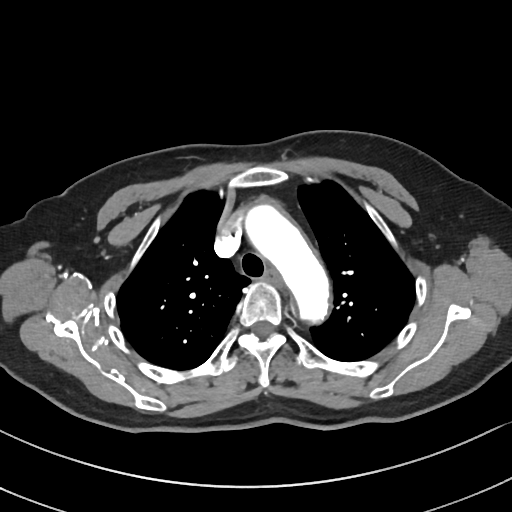 Chest-level slice from an abdominal CT that extends up into the chest. axial view. soft-tissue window, W/L 400/40. 512x512 px. acquired on SOMATOM Force
At this level of the chest no structure but the esophagus and the aorta has a label in this dataset, and those two are boxed only where they are labeled.
Bounding boxes in pixels, one row per box: x1, y1 is the top-left corner and x2, y2 the bottom-right.
| organ | x1 | y1 | x2 | y2 |
|---|---|---|---|---|
| esophagus | 265 | 270 | 280 | 285 |
| aorta | 245 | 200 | 331 | 322 |